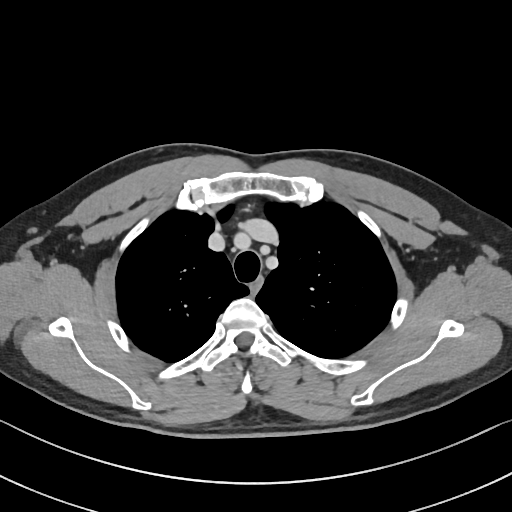
CT of the abdomen extending into the chest, slice through the chest — axial view — soft-tissue window, W/L 400/40
On a slice this high in the chest, this dataset labels only the esophagus and the aorta, and each is boxed only where it is labeled; the heart, lungs and other chest structures are not labeled. Boxes are (x1, y1, x2, y2) in pixels. Labeled organs on this slice: esophagus at (250, 275, 263, 294).